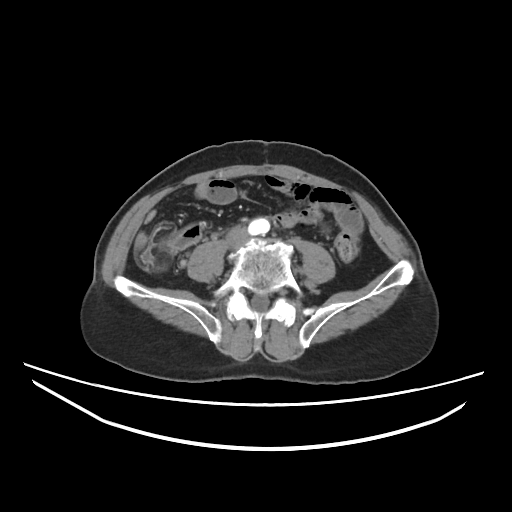 Computed tomography, abdomen; axial view; abdomen soft-tissue window; 58-year-old male patient; Aquilion ONE scanner
Coordinates as <box>x1,y1,x2,y2</box> in pixels.
Organ bounding boxes:
- aorta: <box>248,218,270,235</box>